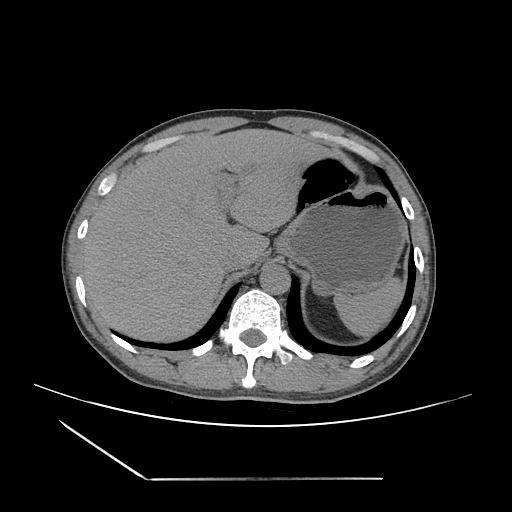
CT, abdomen/pelvis · axial view · 512x512 px · acquired on SOMATOM Force · scan has 15 labeled organs (a whole-scan count: organs this slice does not pass through have no box)
Boxes: x1 y1 x2 y2 (pixel coords, space-separated).
Organ bounding boxes:
- inferior vena cava: 219 250 245 272
- spleen: 334 277 404 336
- liver: 82 128 329 341
- aorta: 260 264 290 294
- stomach: 275 187 405 295